CT of the abdomen extending into the chest, slice through the chest. axial plane, index 271. 512x512 px
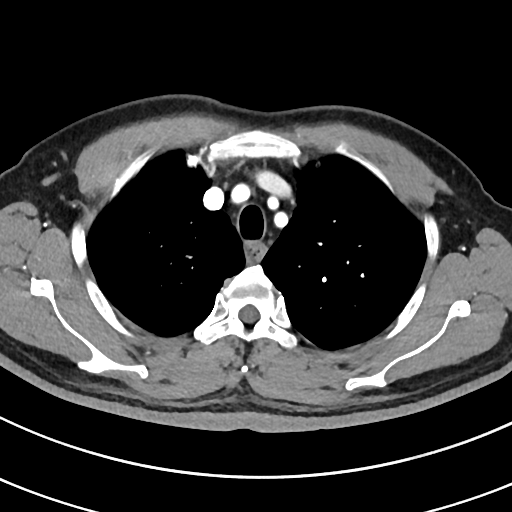
On a slice this high in the chest, this dataset labels only the esophagus and the aorta, and each is boxed only where it is labeled; the heart, lungs and other chest structures are not labeled.
Organ boxes in pixel coordinates; each row gives the top-left (x1, y1) and bottom-right (x2, y2) corners.
| organ | x1 | y1 | x2 | y2 |
|---|---|---|---|---|
| esophagus | 246 | 244 | 264 | 260 |